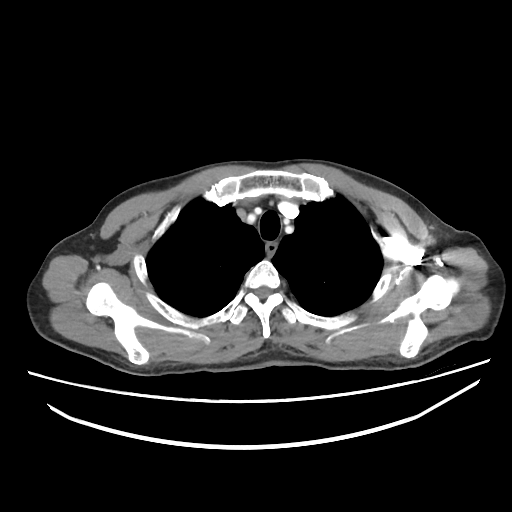

Abdominal CT reaching into the chest; this slice is in the chest — axial view — 512x512 px
At this level of the chest no structure but the esophagus and the aorta has a label in this dataset, and those two are boxed only where they are labeled.
{"organs":{"esophagus":[265,242,277,254]}}